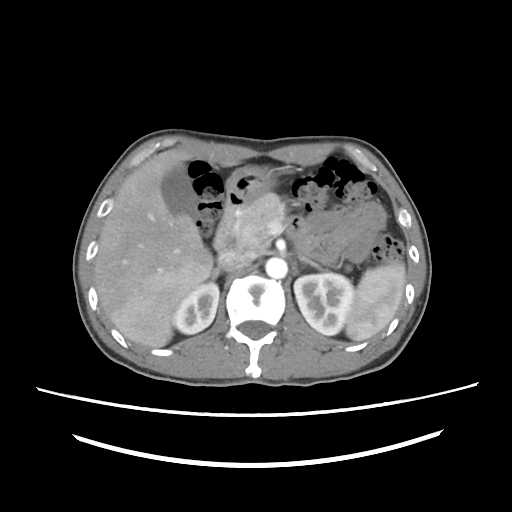
Computed tomography, abdomen. Axial slice 31/90. 512x512 px. 51-year-old male patient. Aquilion ONE scanner
{"organs":{"spleen":[345,261,405,341],"right kidney":[172,282,219,335],"left kidney":[293,273,353,335],"gall bladder":[161,165,199,224],"liver":[94,152,213,346],"stomach":[224,165,286,214],"aorta":[264,257,286,279],"inferior vena cava":[218,251,255,270],"pancreas":[233,193,285,251],"duodenum":[214,214,239,254]}}